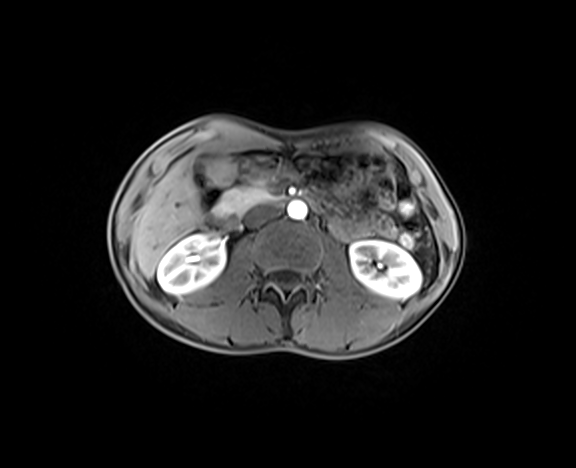

Abdominal MRI · axial view · 576x468 px · acquired on Prisma
One row per box, in pixels: columns x1 and y1 give the top-left corner, x2 and y2 the bottom-right.
| organ | x1 | y1 | x2 | y2 |
|---|---|---|---|---|
| right kidney | 157 | 234 | 225 | 294 |
| left kidney | 350 | 240 | 421 | 298 |
| gall bladder | 198 | 154 | 234 | 187 |
| liver | 131 | 156 | 202 | 278 |
| aorta | 287 | 200 | 307 | 219 |
| inferior vena cava | 245 | 204 | 279 | 227 |
| pancreas | 217 | 182 | 274 | 215 |
| duodenum | 209 | 194 | 315 | 230 |